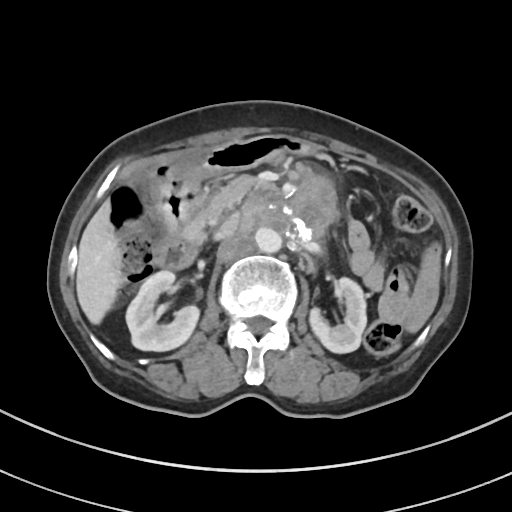
Abdominal CT · axial view · W/L 400/40 HU · scan has 15 labeled organs (a whole-scan count: organs this slice does not pass through have no box)
<organs><organ name="right kidney" x1="126" y1="270" x2="199" y2="351"/><organ name="left kidney" x1="309" y1="277" x2="366" y2="353"/><organ name="gall bladder" x1="128" y1="170" x2="148" y2="188"/><organ name="liver" x1="76" y1="200" x2="119" y2="324"/><organ name="stomach" x1="148" y1="136" x2="317" y2="238"/><organ name="aorta" x1="255" y1="226" x2="281" y2="253"/><organ name="inferior vena cava" x1="217" y1="215" x2="238" y2="238"/><organ name="pancreas" x1="181" y1="175" x2="254" y2="239"/><organ name="duodenum" x1="158" y1="231" x2="200" y2="269"/></organs>